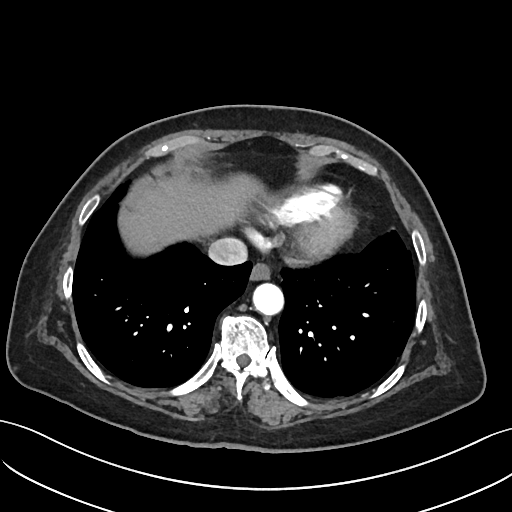

CT abdomen; axial view; soft-tissue window; SOMATOM Force scanner
Coordinates as <box>x1,y1,x2,y2</box> in pixels.
Organ bounding boxes:
- esophagus: <box>249,264,270,279</box>
- aorta: <box>253,284,284,315</box>
- liver: <box>127,173,259,252</box>
- inferior vena cava: <box>208,237,247,265</box>